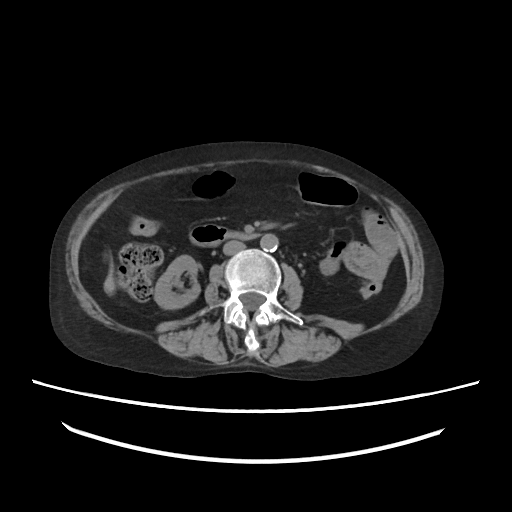

Abdominal CT — axial view — soft-tissue window — 512x512 px
Coordinates as <box>x1,y1,x2,y2</box> in pixels.
Organ bounding boxes:
- duodenum: <box>189,224,258,246</box>
- right kidney: <box>154,255,199,309</box>
- inferior vena cava: <box>223,241,245,254</box>
- aorta: <box>260,233,278,251</box>
- liver: <box>103,260,115,294</box>